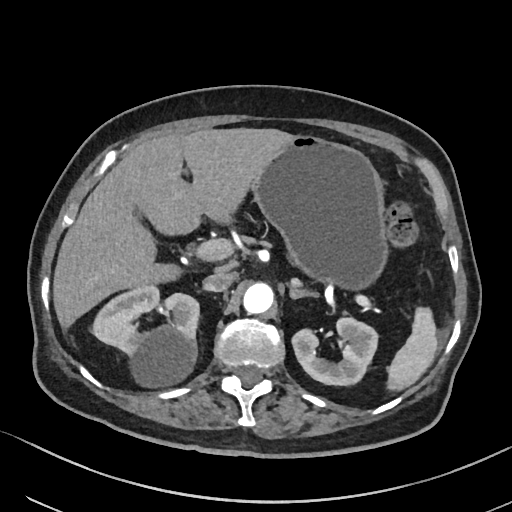 Abdominal CT. axial view. soft-tissue window (W 400 / L 40). 512x512 px. 15 organs annotated in this scan (that count is for the whole scan; organs this slice misses have no box)
Box edges are left/top/right/bottom in pixels. Labeled organs on this slice: left adrenal gland at left=289, top=288, right=317, bottom=299, spleen at left=387, top=307, right=437, bottom=391, stomach at left=251, top=135, right=387, bottom=290, left kidney at left=292, top=318, right=378, bottom=385, inferior vena cava at left=203, top=271, right=236, bottom=292, liver at left=53, top=128, right=294, bottom=328, aorta at left=243, top=282, right=273, bottom=314, right kidney at left=92, top=285, right=199, bottom=386.